Computed tomography, abdomen. axial view. 512x512 px. scan has 15 labeled organs (a whole-scan count: organs this slice does not pass through have no box)
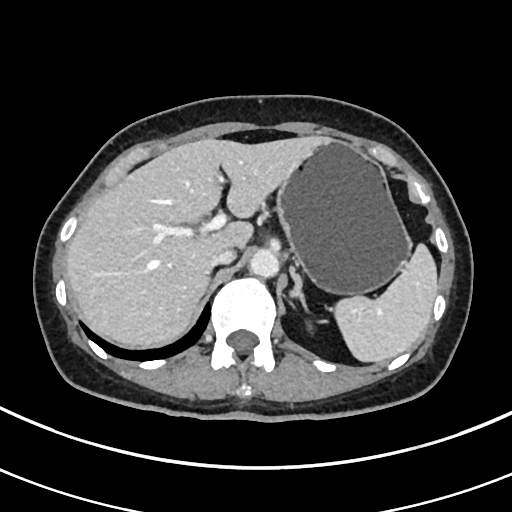

{"organs":{"spleen":[334,244,437,361],"liver":[66,136,328,346],"stomach":[276,140,411,294],"aorta":[249,248,279,277],"inferior vena cava":[209,248,236,268],"left adrenal gland":[290,266,306,307]}}